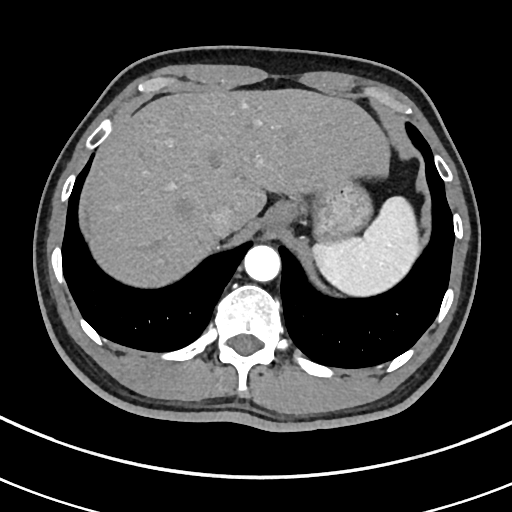

CT abdomen. Axial slice 172/302. 512x512 px
<organs><organ name="spleen" x1="313" y1="195" x2="418" y2="296"/><organ name="esophagus" x1="265" y1="195" x2="300" y2="223"/><organ name="liver" x1="88" y1="88" x2="390" y2="285"/><organ name="stomach" x1="314" y1="177" x2="371" y2="245"/><organ name="aorta" x1="243" y1="245" x2="280" y2="281"/><organ name="inferior vena cava" x1="207" y1="205" x2="234" y2="238"/></organs>